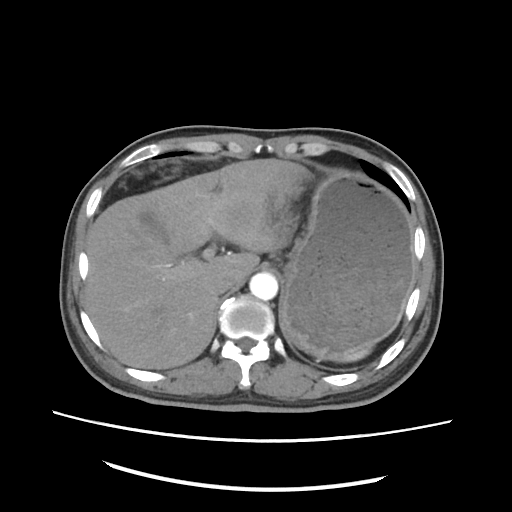
CT abdomen · axial view · 512x512 px
Organ boxes in pixel coordinates; each row gives the top-left (x1, y1) and bottom-right (x2, y2) corners.
| organ | x1 | y1 | x2 | y2 |
|---|---|---|---|---|
| spleen | 342 | 350 | 369 | 361 |
| gall bladder | 140 | 212 | 168 | 244 |
| liver | 84 | 159 | 309 | 369 |
| stomach | 227 | 172 | 414 | 356 |
| aorta | 251 | 273 | 278 | 300 |
| inferior vena cava | 213 | 273 | 234 | 294 |